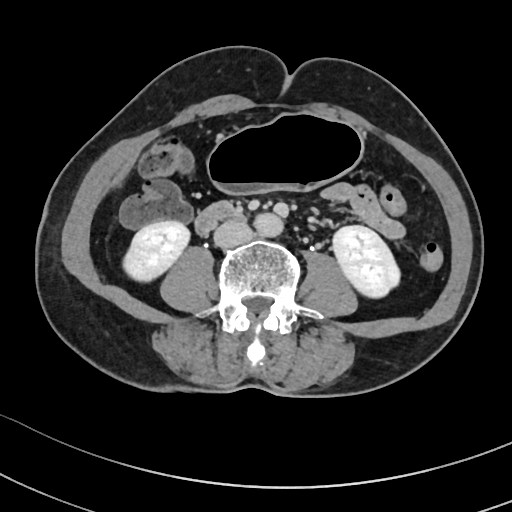
CT abdomen; Axial slice 98/192; soft-tissue window (W 400 / L 40)
Each box given as x1,y1,x2,y2.
Organ bounding boxes:
- aorta: x1=256, y1=213, x2=285, y2=237
- inferior vena cava: x1=213, y1=221, x2=250, y2=246
- left kidney: x1=331, y1=225, x2=402, y2=298
- duodenum: x1=193, y1=202, x2=243, y2=236
- right kidney: x1=123, y1=221, x2=191, y2=279
- stomach: x1=208, y1=113, x2=362, y2=193